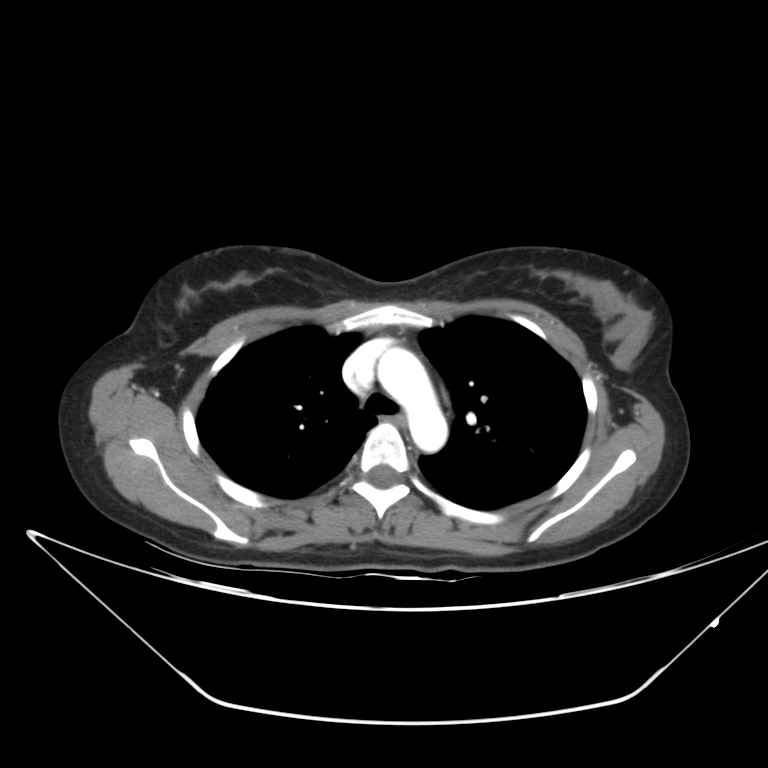

Chest-level CT slice, above the liver and spleen; axial view; 13 organs annotated in this scan (a whole-scan count: organs this slice does not pass through have no box)
On a slice this high in the chest, this dataset labels only the esophagus and the aorta, and each is boxed only where it is labeled; the heart, lungs and other chest structures are not labeled.
Coordinates as <box>x1,y1,x2,y2</box> in pixels.
Organ bounding boxes:
- esophagus: <box>384,415,408,428</box>
- aorta: <box>377,347,448,452</box>